Abdominal CT · axial view · 512x512 px
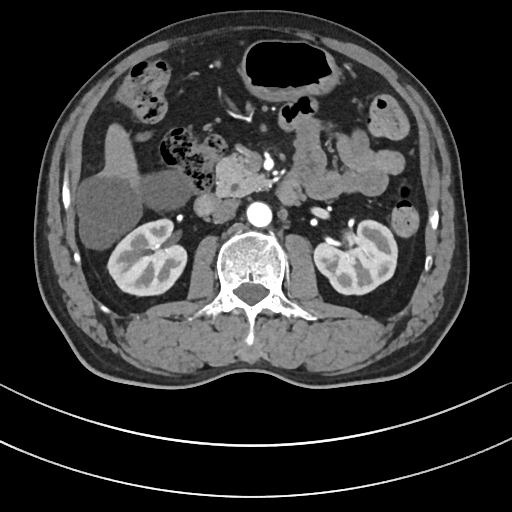

Boxes are (x1, y1, x2, y2) in pixels. 9 labeled organs on this slice — right kidney at (108, 220, 186, 296); left kidney at (313, 221, 396, 295); gall bladder at (96, 175, 184, 221); liver at (79, 126, 191, 247); stomach at (239, 40, 341, 102); aorta at (247, 203, 272, 228); inferior vena cava at (211, 199, 238, 223); pancreas at (215, 152, 266, 196); duodenum at (195, 172, 302, 215).